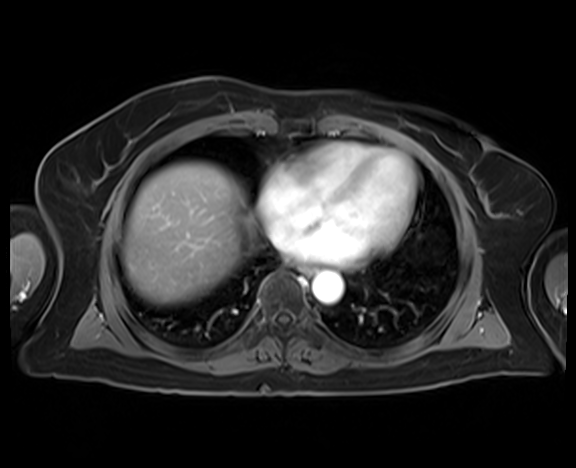 Abdominal MRI; Axial slice 66/72; 1st–99th percentile window; 576x468 px
<organs><organ name="liver" x1="123" y1="162" x2="253" y2="304"/><organ name="inferior vena cava" x1="273" y1="232" x2="287" y2="247"/><organ name="esophagus" x1="299" y1="265" x2="315" y2="276"/><organ name="aorta" x1="312" y1="271" x2="343" y2="303"/></organs>